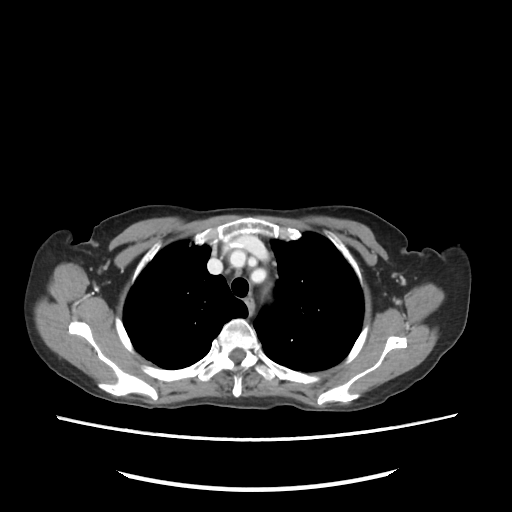
Abdominal CT reaching into the chest; this slice is in the chest; axial view; W/L 400/40 HU
At this level of the chest no structure but the esophagus and the aorta has a label in this dataset, and those two are boxed only where they are labeled.
Boxes: x1 y1 x2 y2 (pixel coords, space-separated).
Organ bounding boxes:
- aorta: 249 266 265 282